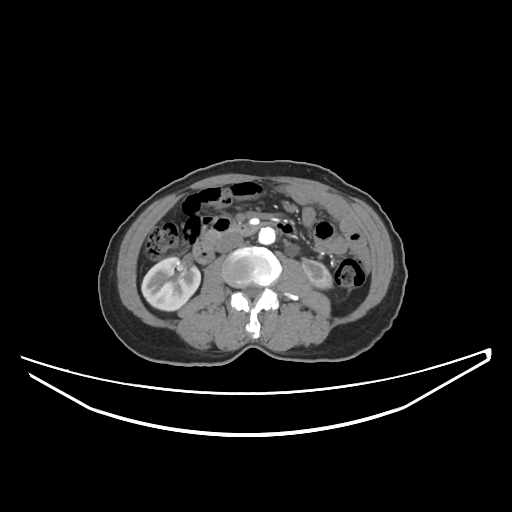 Computed tomography, abdomen — axial view — 512x512 px — scan has 15 labeled organs (counted over the whole 3D scan, not this slice; an organ is boxed only where this slice passes through it)
Box edges are left/top/right/bottom in pixels.
right kidney: left=141, top=257, right=200, bottom=310
left kidney: left=304, top=260, right=332, bottom=288
aorta: left=258, top=227, right=275, bottom=244
inferior vena cava: left=215, top=233, right=243, bottom=252
duodenum: left=193, top=217, right=258, bottom=263